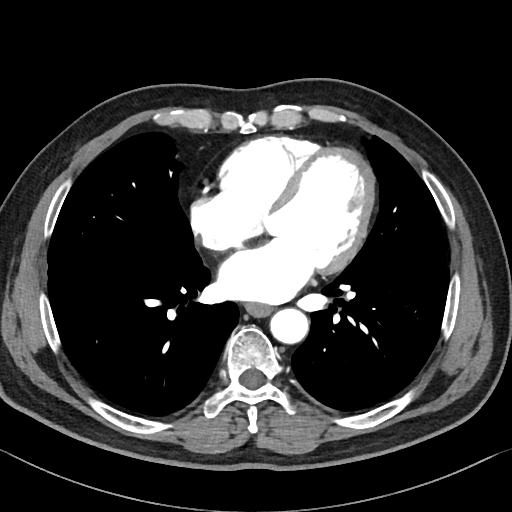 CT of the abdomen reaching into the lower chest, slice just above the liver and spleen. Axial slice 219/245. W/L 400/40 HU. 512x512 px
Of the structures in the chest, this dataset labels only the esophagus, the aorta and the inferior vena cava; the heart and lungs have no label.
Organ boxes in pixel coordinates; each row gives the top-left (x1, y1) and bottom-right (x2, y2) corners.
| organ | x1 | y1 | x2 | y2 |
|---|---|---|---|---|
| esophagus | 245 | 303 | 271 | 316 |
| aorta | 270 | 308 | 308 | 343 |